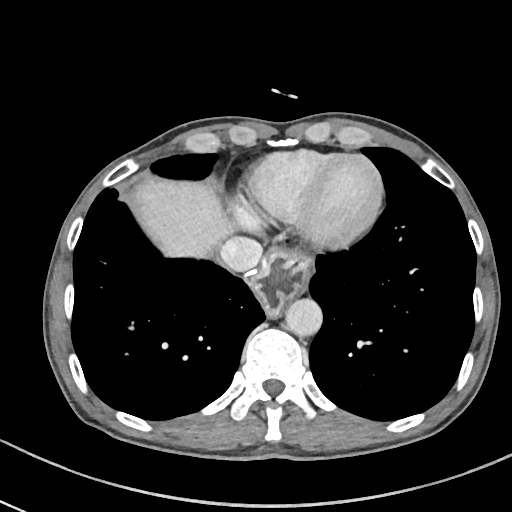 Computed tomography, abdomen. Axial slice 198/306
Boxes: x1 y1 x2 y2 (pixel coords, space-separated). Labeled organs on this slice: aorta at 286 298 322 335, esophagus at 253 250 311 316, liver at 129 176 236 257, inferior vena cava at 219 237 262 271.